Abdominal MR. Axial slice 42/72
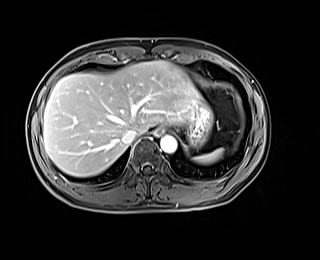

Boxes: x1:y1:x2:y2 in pixels.
Organ bounding boxes:
- spleen: 195:148:223:163
- esophagus: 155:127:164:135
- liver: 43:60:196:176
- stomach: 172:90:212:147
- aorta: 160:135:176:153
- inferior vena cava: 121:129:137:144